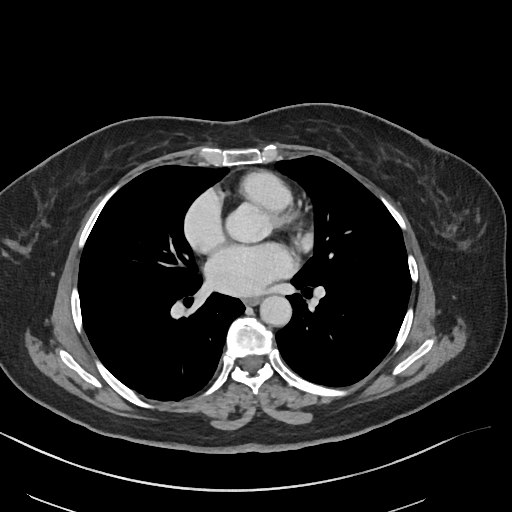

Lower-chest slice from an abdominal CT, just above the liver and spleen · axial plane, index 240 · W/L 400/40 HU · 512x512 px
No part of the heart or lungs is labeled in this dataset, so neither has a box here.
Box edges are left/top/right/bottom in pixels.
esophagus: left=244, top=297, right=259, bottom=305
aorta: left=260, top=295, right=291, bottom=326